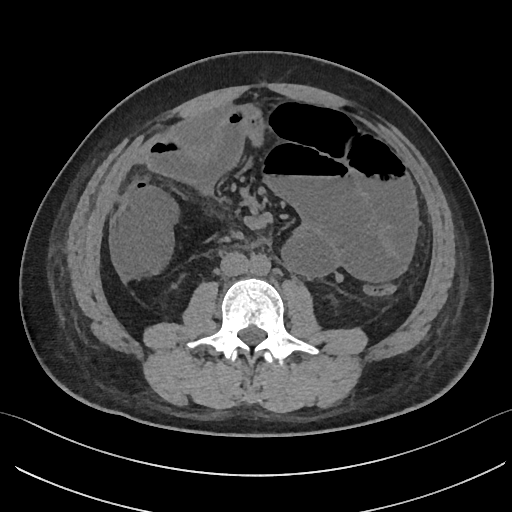

Abdominal CT — axial view — 512x512 px — SOMATOM Force scanner
{"organs":{"aorta":[249,255,271,276],"inferior vena cava":[220,252,249,276]}}